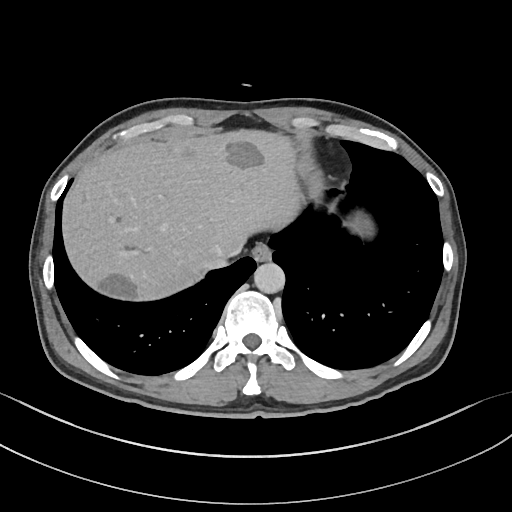 CT abdomen; Axial slice 207/230; scan has 14 labeled organs (that count is for the whole scan; organs this slice misses have no box)
Box edges are left/top/right/bottom in pixels.
esophagus: left=252, top=243, right=271, bottom=261
inferior vena cava: left=207, top=257, right=226, bottom=269
liver: left=62, top=129, right=302, bottom=300
aorta: left=254, top=262, right=284, bottom=293